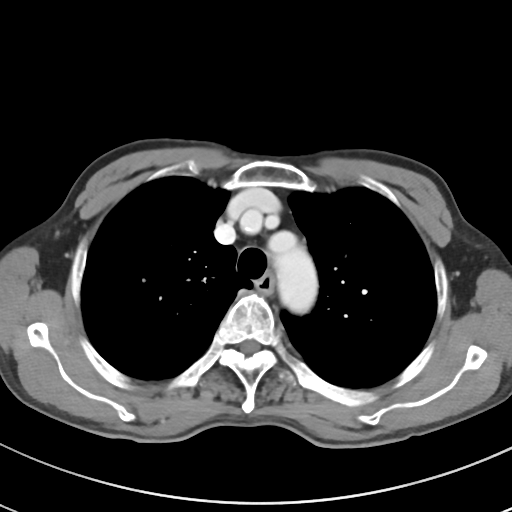 Chest-level CT slice, above the liver and spleen. axial view. 512x512 px. acquired on SOMATOM Force
At this level of the chest this dataset labels only the esophagus and the aorta, and each is boxed only where it is labeled; the heart and lungs are never labeled.
Bounding boxes as [x1, y1, x2, y2] in pixel coordinates.
esophagus: [257, 275, 273, 292]
aorta: [268, 231, 318, 313]